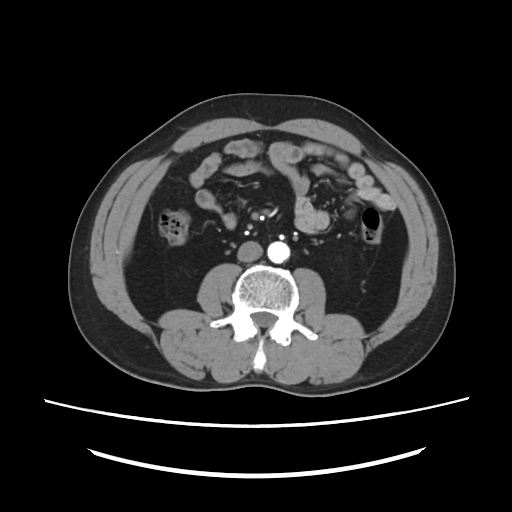
CT abdomen; axial view; soft-tissue window (W 400 / L 40); 512x512 px; scan has 15 labeled organs (counted over the whole 3D scan, not this slice; an organ is boxed only where this slice passes through it)
Boxes are (x1, y1, x2, y2) in pixels.
aorta: (267, 241, 289, 263)
inferior vena cava: (237, 241, 262, 261)